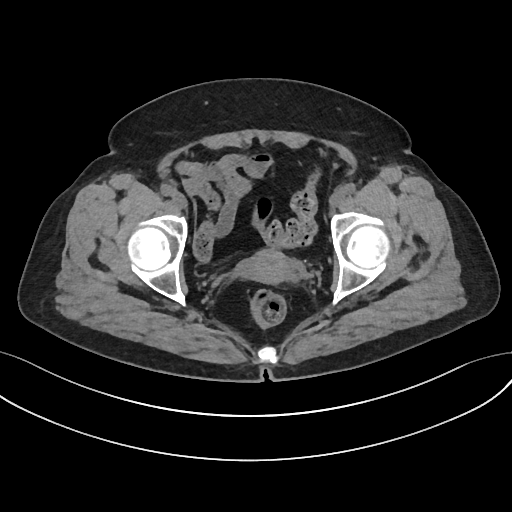

Abdominal CT — axial plane, index 29 — 512x512 px — scan has 15 labeled organs (that count is for the whole scan; organs this slice misses have no box)
Boxes: x1:y1:x2:y2 in pixels.
prostate/uterus: 239:248:288:284